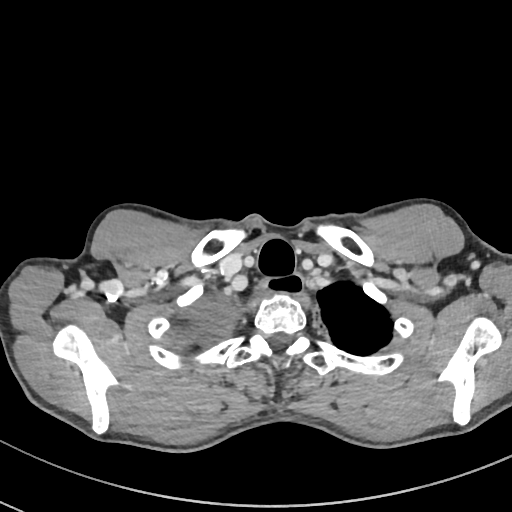 Chest-level slice from an abdominal CT that extends up into the chest. axial view. soft-tissue window (W 400 / L 40). 15 organs annotated in this scan (that count is for the whole scan; organs this slice misses have no box)
At this level of the chest no structure but the esophagus and the aorta has a label in this dataset, and those two are boxed only where they are labeled.
Boxes are (x1, y1, x2, y2) in pixels.
esophagus: (252, 273, 301, 304)